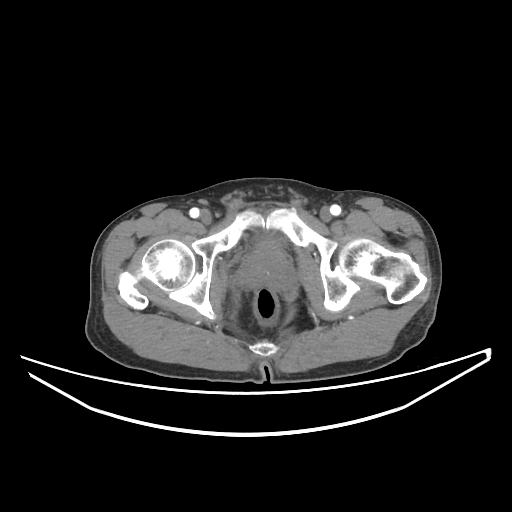

Abdominal CT — Axial slice 12/120 — soft-tissue window — 62-year-old male patient
Bounding boxes as [x1, y1, x2, y2] in pixel coordinates.
Organ bounding boxes:
- prostate/uterus: [242, 245, 290, 288]